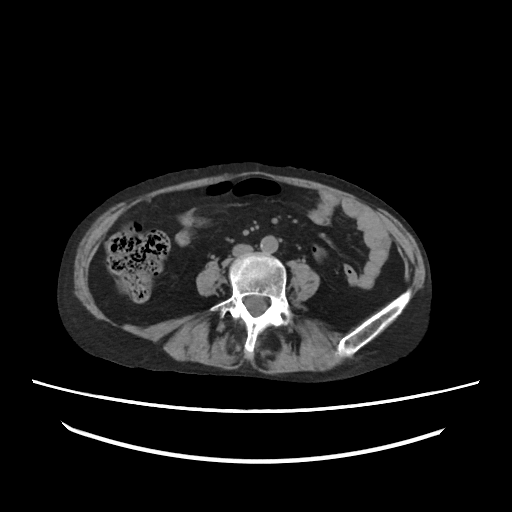
CT abdomen. axial view. W/L 400/40 HU. 512x512 px
{"organs":{"inferior vena cava":[232,244,253,256],"aorta":[260,235,278,253]}}